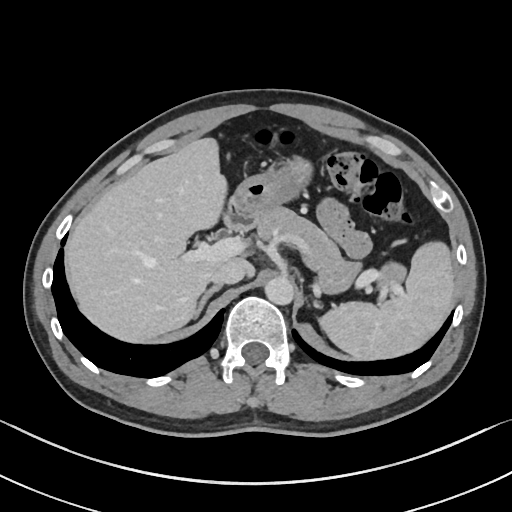

Abdominal CT. Axial slice 151/291. 512x512 px
Box edges are left/top/right/bottom in pixels.
Organ bounding boxes:
- duodenum: left=222, top=202, right=251, bottom=232
- pancreas: left=252, top=205, right=404, bottom=292
- liver: left=65, top=137, right=254, bottom=344
- aorta: left=264, top=275, right=293, bottom=303
- spleen: left=320, top=242, right=454, bottom=361
- right adrenal gland: left=192, top=282, right=223, bottom=317
- inferior vena cava: left=211, top=262, right=245, bottom=282
- stomach: left=223, top=158, right=310, bottom=223